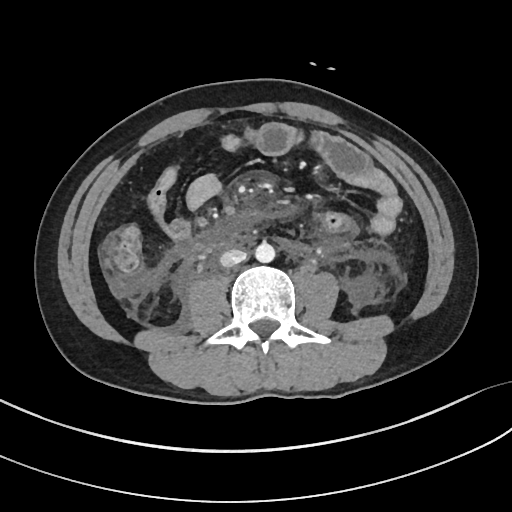

CT, abdomen/pelvis; axial view; abdomen soft-tissue window
{"organs":{"aorta":[255,242,275,262],"inferior vena cava":[220,249,247,267]}}